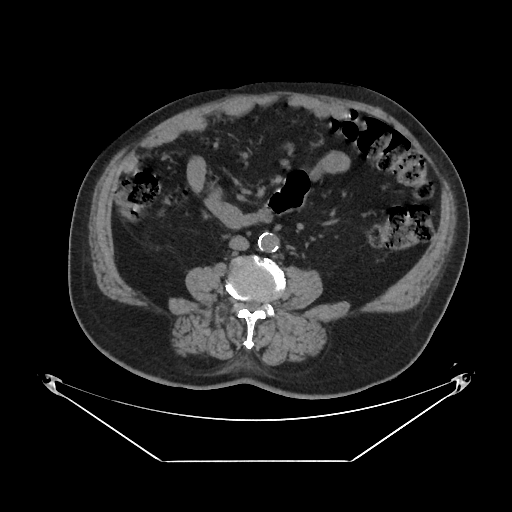
CT abdomen — axial view — soft-tissue window (W 400 / L 40) — SOMATOM Force scanner — 15 organs annotated in this scan (a whole-scan count: organs this slice does not pass through have no box)
Boxes: x1 y1 x2 y2 (pixel coords, space-separated).
Organ bounding boxes:
- inferior vena cava: 229 236 249 250
- aorta: 257 232 278 251